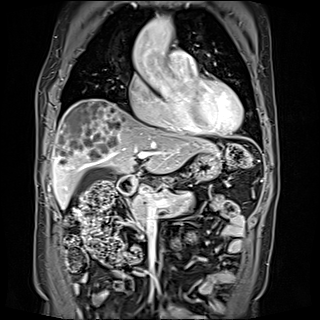
MRI, abdomen — Coronal slice 42/60 — 1st–99th percentile window — 13 organs annotated in this scan (that count is for the whole scan; organs this slice misses have no box)
One row per box, in pixels: columns x1 and y1 give the top-left corner, x2 and y2 the bottom-right.
| organ | x1 | y1 | x2 | y2 |
|---|---|---|---|---|
| aorta | 133 | 17 | 173 | 55 |
| pancreas | 130 | 187 | 193 | 226 |
| stomach | 191 | 153 | 221 | 181 |
| duodenum | 117 | 176 | 136 | 194 |
| liver | 52 | 99 | 218 | 209 |
| gall bladder | 75 | 167 | 114 | 193 |